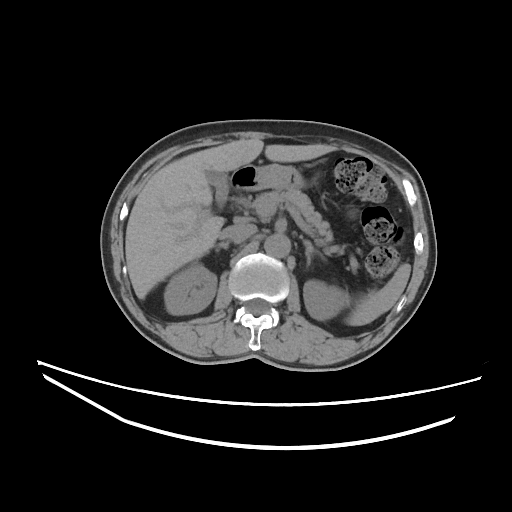

Abdominal CT. axial view. W/L 400/40 HU. 512x512 px. scan has 15 labeled organs (counted over the whole 3D scan, not this slice; an organ is boxed only where this slice passes through it)
<organs><organ name="spleen" x1="345" y1="263" x2="410" y2="325"/><organ name="right kidney" x1="164" y1="262" x2="216" y2="314"/><organ name="left kidney" x1="303" y1="280" x2="349" y2="320"/><organ name="gall bladder" x1="206" y1="170" x2="228" y2="206"/><organ name="liver" x1="125" y1="139" x2="335" y2="299"/><organ name="stomach" x1="230" y1="164" x2="307" y2="191"/><organ name="aorta" x1="264" y1="233" x2="290" y2="257"/><organ name="inferior vena cava" x1="219" y1="223" x2="256" y2="242"/><organ name="pancreas" x1="245" y1="190" x2="343" y2="254"/><organ name="right adrenal gland" x1="216" y1="241" x2="229" y2="250"/><organ name="left adrenal gland" x1="303" y1="240" x2="326" y2="265"/><organ name="duodenum" x1="230" y1="183" x2="231" y2="186"/></organs>